Computed tomography, abdomen; axial view; W/L 400/40 HU; 512x512 px; acquired on SOMATOM Force
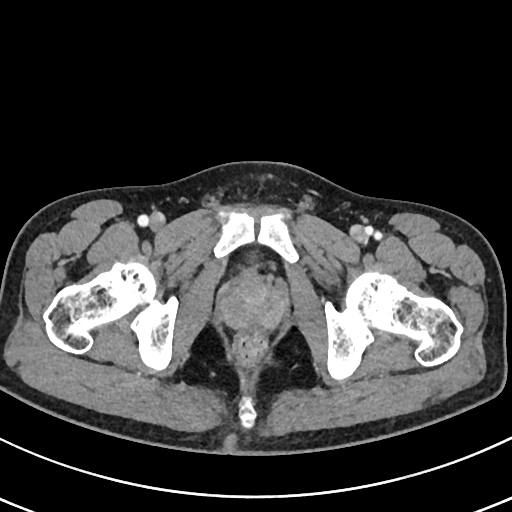

Coordinates as <box>x1,y1,x2,y2</box> in pixels.
prostate/uterus: <box>221,279,283,329</box>